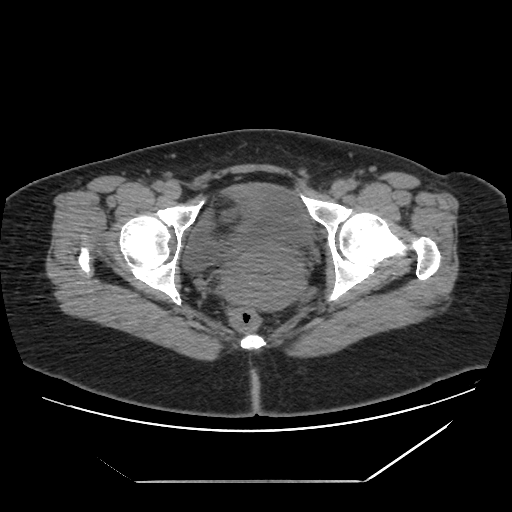 Computed tomography, abdomen — axial plane, index 28 — 512x512 px — acquired on SOMATOM Force — 15 organs annotated in this scan (counted over the whole 3D scan, not this slice; an organ is boxed only where this slice passes through it)
Boxes are (x1, y1, x2, y2) in pixels.
bladder: (182, 184, 316, 273)
prostate/uterus: (222, 252, 301, 309)